Magnetic resonance imaging, abdomen · coronal view · 320x320 px · acquired on Prisma · 13 organs annotated in this scan (a whole-scan count: organs this slice does not pass through have no box)
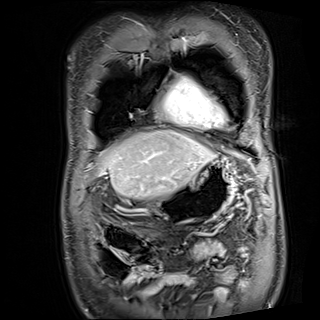 Boxes: x1 y1 x2 y2 (pixel coords, space-separated).
Organ bounding boxes:
- liver: 99 130 214 198
- stomach: 145 158 238 226